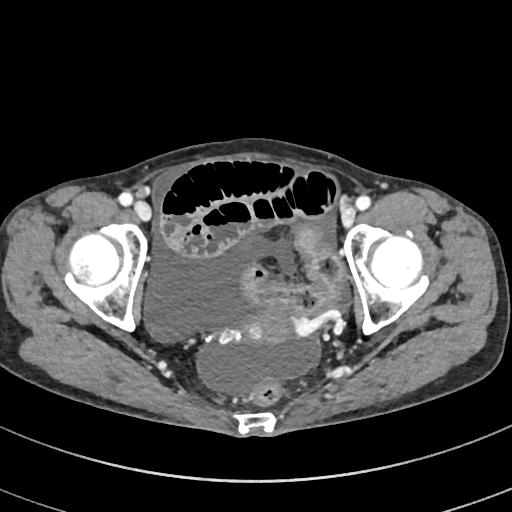
Computed tomography, abdomen · axial view · abdomen soft-tissue window · 512x512 px
Boxes: x1 y1 x2 y2 (pixel coords, space-separated).
Organ bounding boxes:
- prostate/uterus: 245 308 295 345